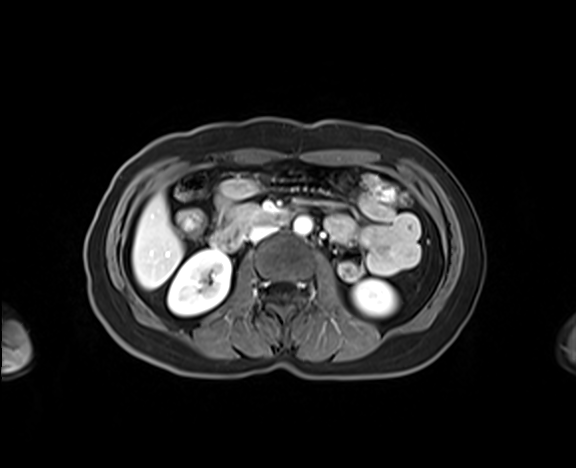 Abdominal MRI — Axial slice 20/72
Each box given as x1,y1,x2,y2. Labeled organs on this slice: right kidney at x1=168, y1=249, x2=231, y2=315, left kidney at x1=353, y1=279, x2=397, y2=316, liver at x1=132, y1=194, x2=183, y2=288, aorta at x1=294, y1=216, x2=312, y2=234, inferior vena cava at x1=249, y1=225, x2=275, y2=241, pancreas at x1=228, y1=204, x2=266, y2=228, duodenum at x1=211, y1=210, x2=291, y2=250.